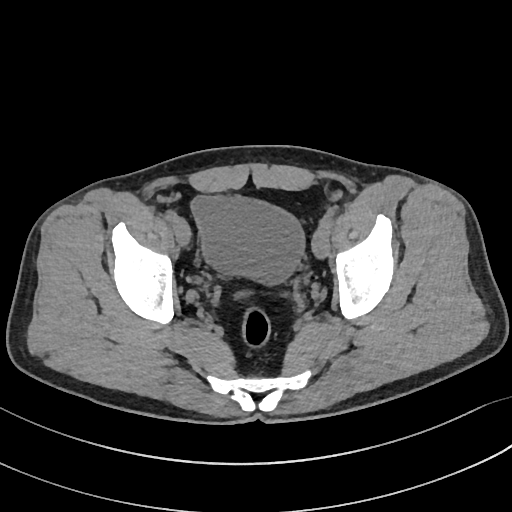
Abdominal CT; axial plane, index 49; soft-tissue window (W 400 / L 40)
Coordinates as <box>x1,y1,x2,y2</box> in pixels.
Organ bounding boxes:
- bladder: <box>190,195,305,284</box>